Computed tomography, abdomen. axial view. soft-tissue window (W 400 / L 40). female patient aged 90 or older. Brilliance16 scanner. scan has 15 labeled organs (counted over the whole 3D scan, not this slice; an organ is boxed only where this slice passes through it)
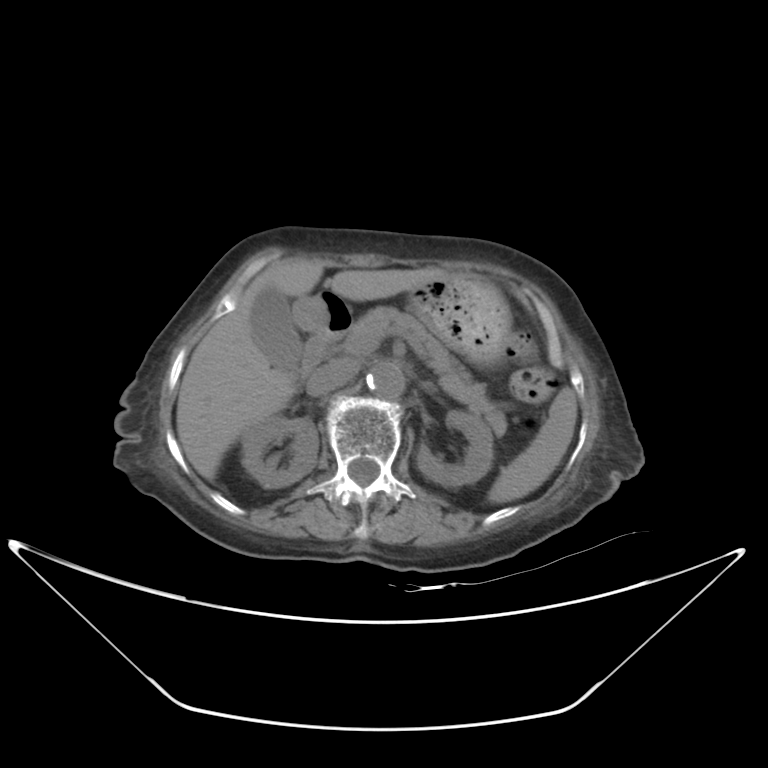

<organs><organ name="spleen" x1="488" y1="388" x2="576" y2="503"/><organ name="right kidney" x1="240" y1="416" x2="318" y2="488"/><organ name="left kidney" x1="416" y1="412" x2="494" y2="487"/><organ name="gall bladder" x1="250" y1="286" x2="303" y2="369"/><organ name="liver" x1="175" y1="258" x2="448" y2="480"/><organ name="stomach" x1="293" y1="273" x2="511" y2="366"/><organ name="aorta" x1="366" y1="362" x2="404" y2="398"/><organ name="inferior vena cava" x1="307" y1="362" x2="355" y2="395"/><organ name="pancreas" x1="345" y1="307" x2="506" y2="434"/><organ name="left adrenal gland" x1="430" y1="388" x2="434" y2="393"/><organ name="duodenum" x1="297" y1="300" x2="351" y2="376"/></organs>